Computed tomography, abdomen — Axial slice 114/187
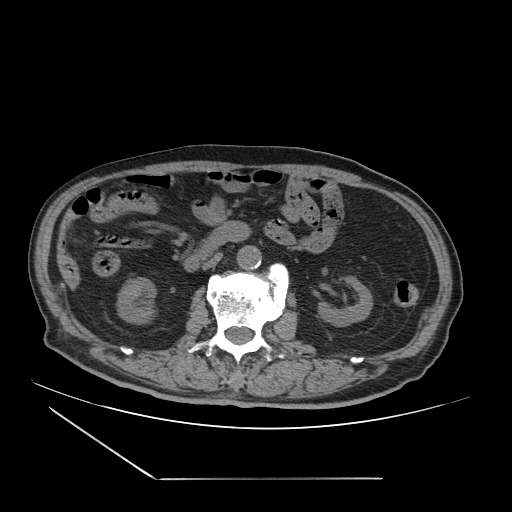
Boxes: x1 y1 x2 y2 (pixel coords, space-separated).
right kidney: 115 277 156 324
aorta: 237 246 261 270
inferior vena cava: 202 253 222 270
duodenum: 185 222 249 270
left kidney: 316 277 373 328